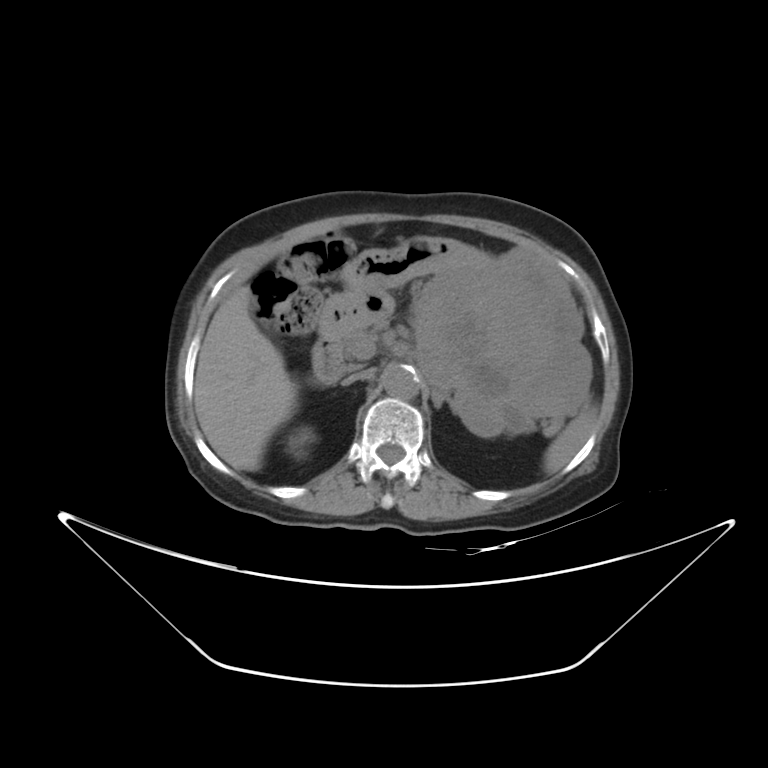

CT abdomen — Axial slice 67/93
{"organs":{"spleen":[546,408,596,474],"right kidney":[295,432,311,448],"liver":[194,287,296,470],"stomach":[320,236,590,433],"aorta":[382,364,419,399],"inferior vena cava":[343,368,375,385],"pancreas":[341,329,560,433],"left adrenal gland":[433,391,445,408],"duodenum":[311,334,344,385]}}